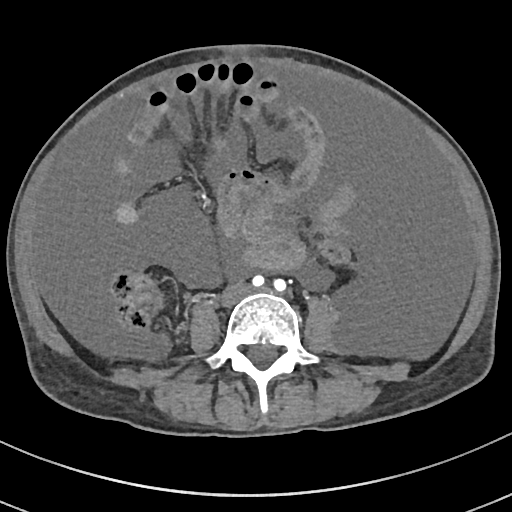 Computed tomography, abdomen — axial plane, index 100
<organs><organ name="inferior vena cava" x1="222" y1="283" x2="250" y2="304"/></organs>